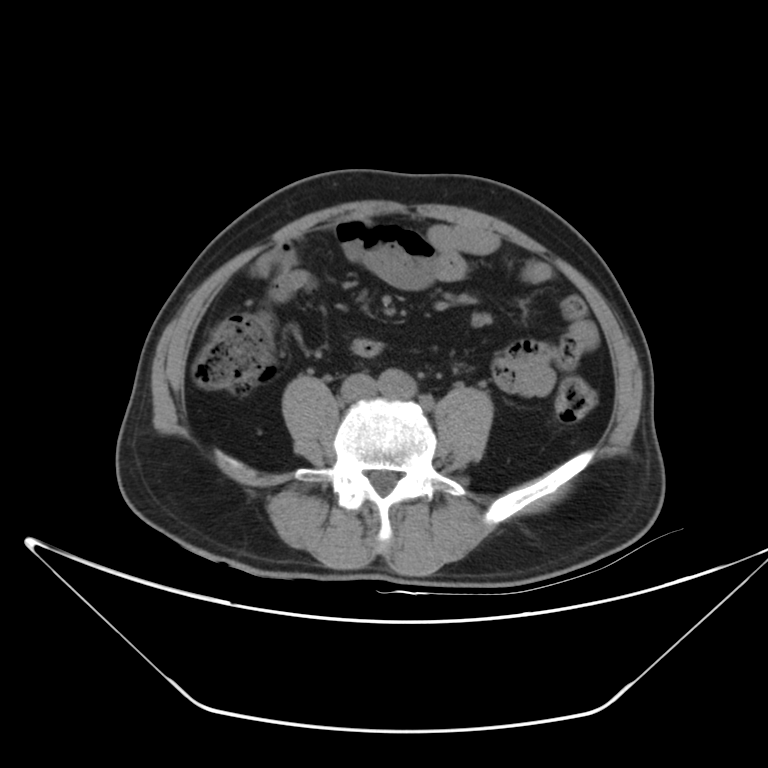
Computed tomography, abdomen — axial view — 768x768 px — 56-year-old male patient — 14 organs annotated in this scan (a whole-scan count: organs this slice does not pass through have no box)
{"organs":{"aorta":[377,368,416,397],"inferior vena cava":[341,374,376,400]}}